Computed tomography, abdomen. axial view. soft-tissue window (W 400 / L 40). SOMATOM Force scanner. 15 organs annotated in this scan (that count is for the whole scan; organs this slice misses have no box)
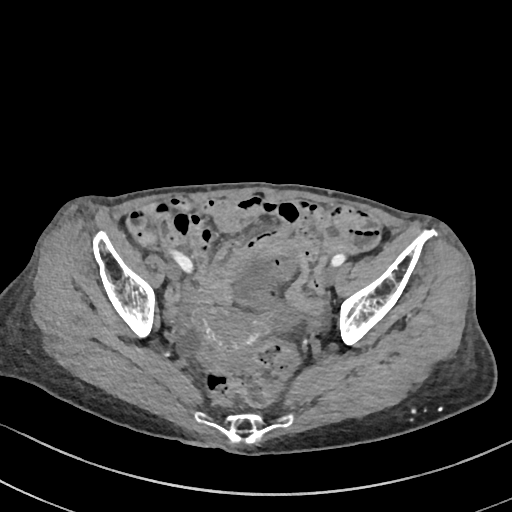
One row per box, in pixels: columns x1 and y1 give the top-left corner, x2 and y2 the bottom-right.
| organ | x1 | y1 | x2 | y2 |
|---|---|---|---|---|
| bladder | 233 | 253 | 278 | 294 |
| prostate/uterus | 203 | 309 | 260 | 357 |